Abdominal CT; axial view; 15 organs annotated in this scan (that count is for the whole scan; organs this slice misses have no box)
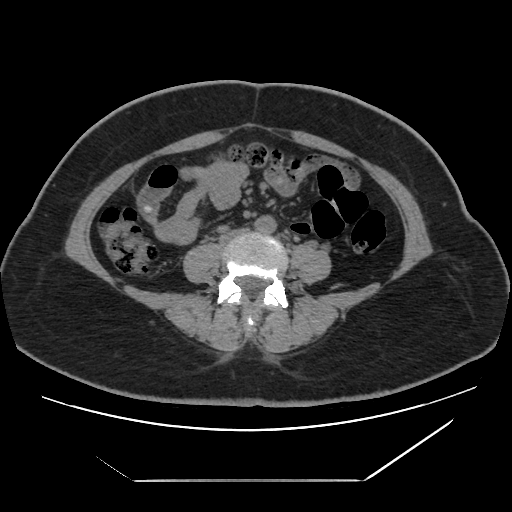 Box edges are left/top/right/bottom in pixels.
Organ bounding boxes:
- inferior vena cava: left=220, top=228, right=248, bottom=242
- aorta: left=255, top=215, right=276, bottom=233